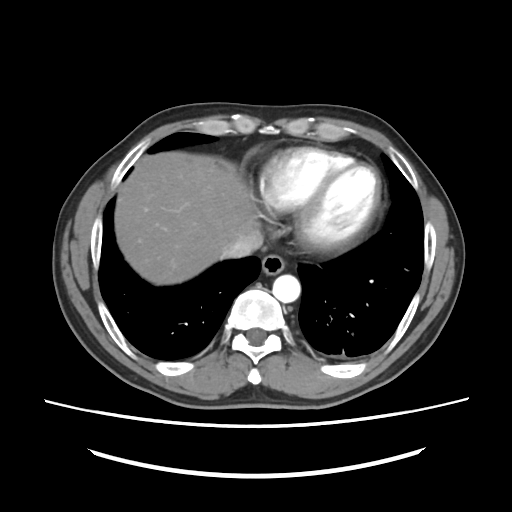
Abdominal CT. axial view. W/L 400/40 HU. 512x512 px. 46-year-old male patient
Boxes: x1 y1 x2 y2 (pixel coords, space-separated).
esophagus: 261 254 284 274
liver: 115 152 257 284
aorta: 272 274 300 302
inferior vena cava: 222 230 263 258